CT, abdomen/pelvis — axial view — W/L 400/40 HU — 512x512 px
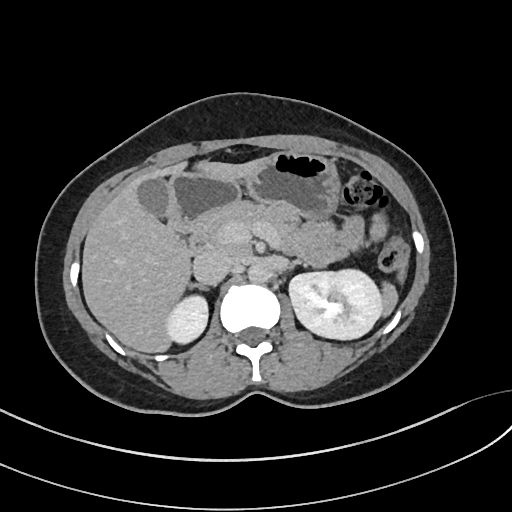

Each box given as x1,y1,x2,y2. The annotated organs in this slice are: spleen at x1=381, y1=283, x2=396, y2=314, right kidney at x1=166, y1=296, x2=208, y2=343, left kidney at x1=289, y1=267, x2=381, y2=338, gall bladder at x1=135, y1=177, x2=169, y2=217, liver at x1=82, y1=159, x2=258, y2=352, stomach at x1=167, y1=151, x2=339, y2=225, aorta at x1=248, y1=264, x2=267, y2=282, inferior vena cava at x1=192, y1=250, x2=233, y2=285, pancreas at x1=198, y1=201, x2=340, y2=251, right adrenal gland at x1=187, y1=283, x2=207, y2=290, duodenum at x1=170, y1=224, x2=203, y2=255.